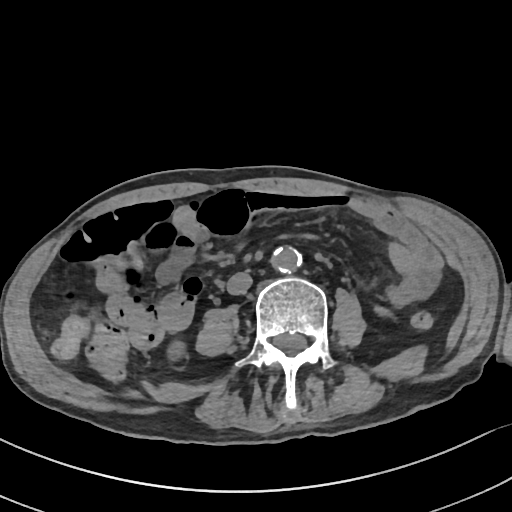
CT, abdomen/pelvis · axial view · soft-tissue window
Box edges are left/top/right/bottom in pixels. The annotated organs in this slice are: aorta at left=270, top=245, right=300, bottom=272, right kidney at left=171, top=343, right=184, bottom=354, inferior vena cava at left=226, top=272, right=252, bottom=294.